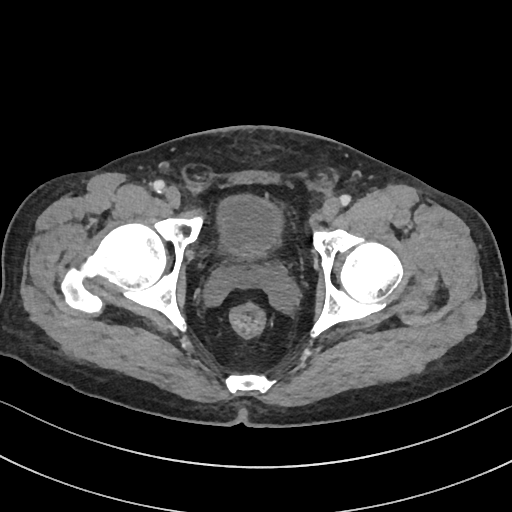

CT abdomen. axial plane, index 44. soft-tissue window. 512x512 px. acquired on SOMATOM Force
One row per box, in pixels: columns x1 and y1 give the top-left corner, x2 and y2 the bottom-right.
| organ | x1 | y1 | x2 | y2 |
|---|---|---|---|---|
| bladder | 218 | 194 | 281 | 258 |